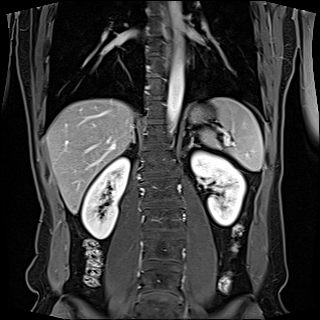

Abdominal MRI · coronal plane, index 25 · 320x320 px
<organs><organ name="right kidney" x1="81" y1="157" x2="129" y2="238"/><organ name="spleen" x1="201" y1="97" x2="263" y2="170"/><organ name="esophagus" x1="162" y1="6" x2="172" y2="65"/><organ name="right adrenal gland" x1="128" y1="138" x2="137" y2="148"/><organ name="left adrenal gland" x1="186" y1="137" x2="199" y2="151"/><organ name="aorta" x1="166" y1="1" x2="183" y2="133"/><organ name="liver" x1="46" y1="99" x2="135" y2="213"/><organ name="left kidney" x1="191" y1="151" x2="245" y2="225"/><organ name="stomach" x1="189" y1="105" x2="208" y2="123"/></organs>